CT, abdomen/pelvis; axial view; W/L 400/40 HU
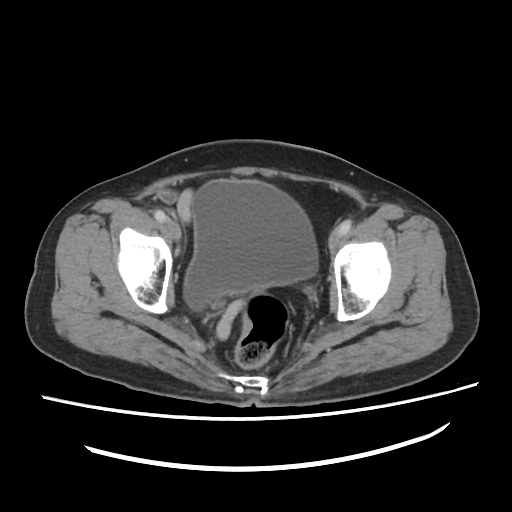 Boxes: x1:y1:x2:y2 in pixels. The annotated organs in this slice are: bladder at 184:181:317:308.